CT abdomen. axial plane, index 59. 768x768 px
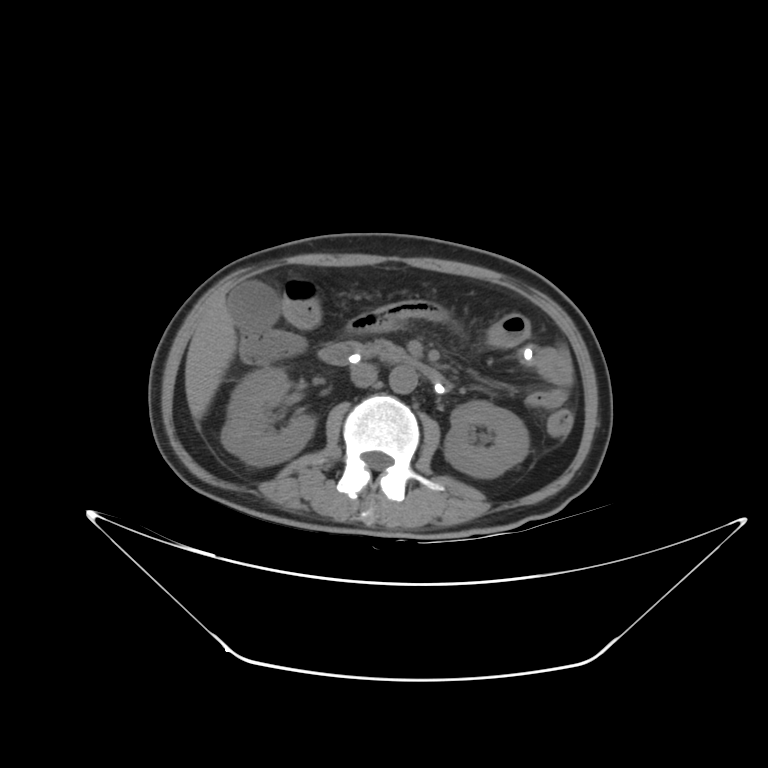

Boxes: x1:y1:x2:y2 in pixels.
Organ bounding boxes:
- pancreas: 348:340:415:364
- duodenum: 318:343:447:393
- liver: 185:300:236:419
- inferior vena cava: 350:362:377:387
- left kidney: 444:400:529:478
- right kidney: 221:367:315:466
- aorta: 389:365:417:393
- gall bladder: 228:284:277:331